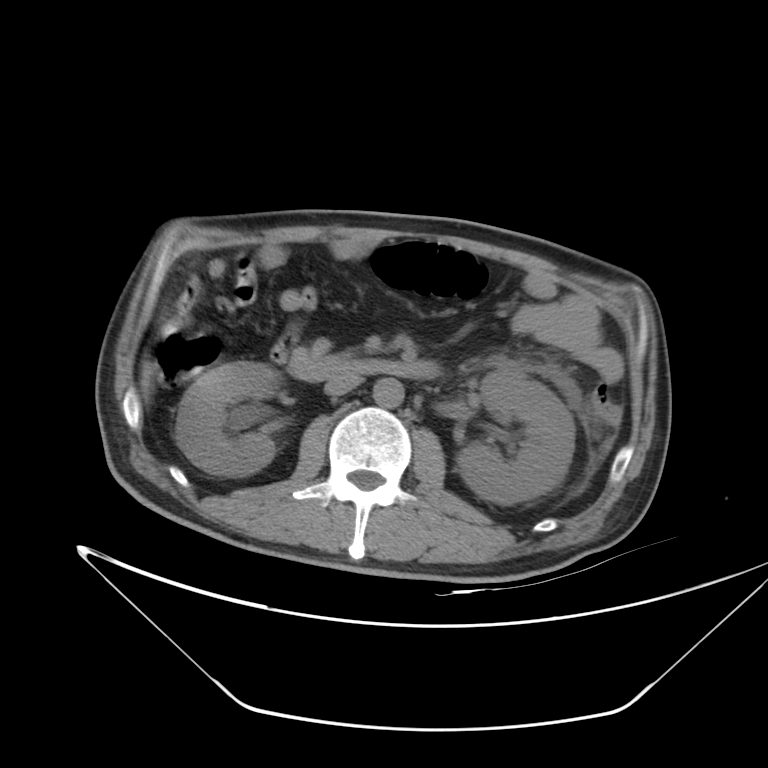
Computed tomography, abdomen · Axial slice 65/107 · W/L 400/40 HU · 768x768 px
{"organs":{"right kidney":[176,362,280,476],"left kidney":[456,371,574,504],"liver":[141,363,152,389],"aorta":[373,377,404,408],"inferior vena cava":[324,373,364,396],"duodenum":[288,354,441,381]}}